Abdominal CT · axial plane, index 56 · abdomen soft-tissue window · 39-year-old female patient
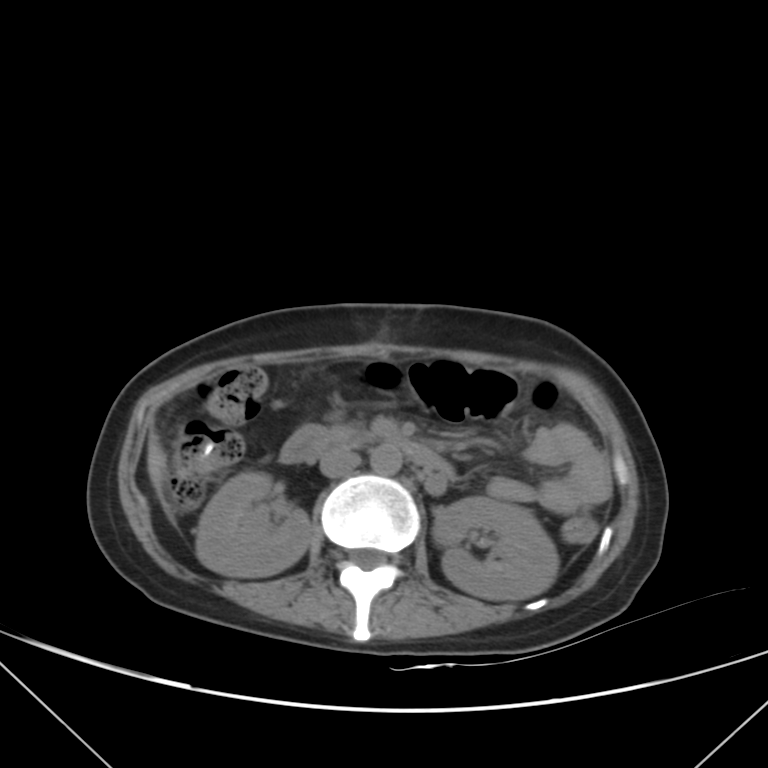
Each box given as x1,y1,x2,y2.
right kidney: x1=196, y1=472, x2=310, y2=576
left kidney: x1=431, y1=496, x2=559, y2=600
liver: x1=147, y1=435, x2=166, y2=488
aorta: x1=370, y1=443, x2=402, y2=474
inferior vena cava: x1=320, y1=450, x2=361, y2=478
pancreas: x1=328, y1=425, x2=368, y2=447
duodenum: x1=279, y1=426, x2=454, y2=478